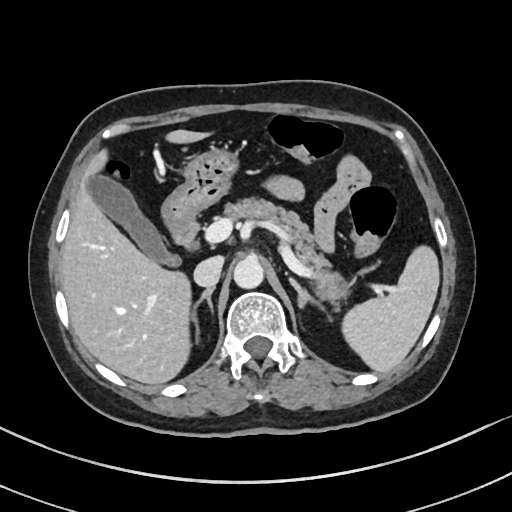 Abdominal CT. axial view. 512x512 px
One row per box, in pixels: columns x1 and y1 give the top-left corner, x2 and y2 the bottom-right.
| organ | x1 | y1 | x2 | y2 |
|---|---|---|---|---|
| gall bladder | 87 | 174 | 179 | 265 |
| aorta | 234 | 257 | 263 | 288 |
| right adrenal gland | 190 | 287 | 214 | 341 |
| stomach | 161 | 147 | 238 | 234 |
| inferior vena cava | 194 | 256 | 223 | 287 |
| pancreas | 224 | 197 | 351 | 304 |
| duodenum | 170 | 221 | 198 | 248 |
| liver | 60 | 129 | 210 | 384 |
| spleen | 342 | 245 | 439 | 372 |
| left adrenal gland | 289 | 277 | 325 | 310 |